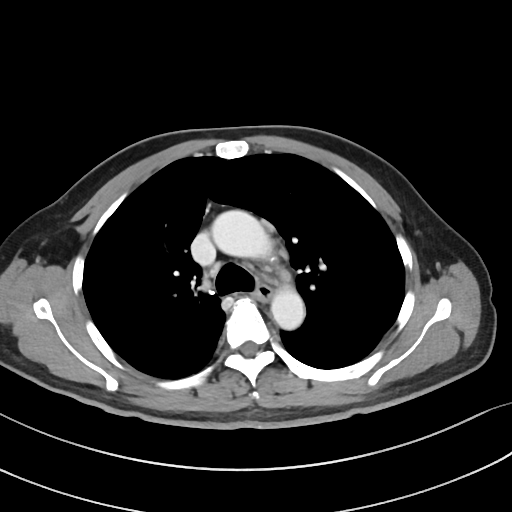

Chest-level CT slice, above the liver and spleen. axial view
At this level of the chest no structure but the esophagus and the aorta has a label in this dataset, and those two are boxed only where they are labeled.
Organ boxes in pixel coordinates; each row gives the top-left (x1, y1) and bottom-right (x2, y2) corners.
| organ | x1 | y1 | x2 | y2 |
|---|---|---|---|---|
| esophagus | 255 | 283 | 274 | 300 |
| aorta | 211 | 210 | 273 | 259 |
| aorta | 270 | 285 | 305 | 329 |